CT, abdomen/pelvis — Axial slice 174/265 — soft-tissue window — scan has 15 labeled organs (that count is for the whole scan; organs this slice misses have no box)
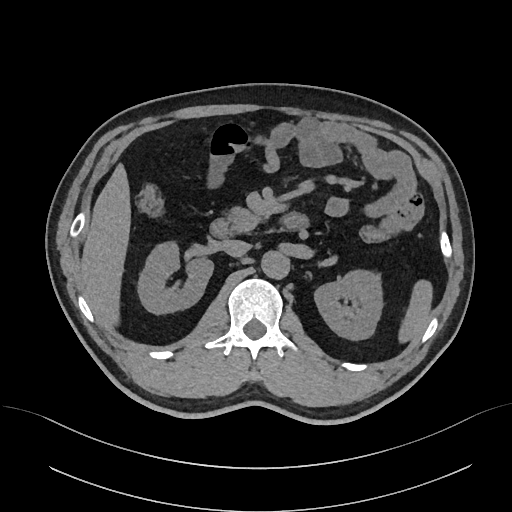
Boxes: x1 y1 x2 y2 (pixel coords, space-separated). 8 labeled organs on this slice — spleen at 398 279 432 342; right kidney at 137 242 213 314; left kidney at 314 270 382 340; liver at 80 163 130 325; aorta at 261 251 289 278; inferior vena cava at 220 239 250 256; pancreas at 226 207 263 232; duodenum at 210 212 308 238.